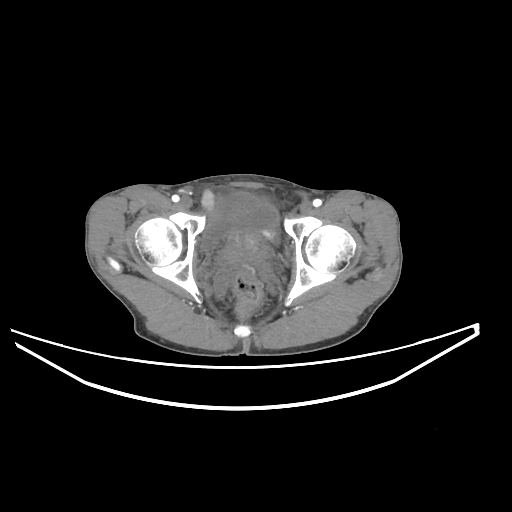
Computed tomography, abdomen · axial view · W/L 400/40 HU · 512x512 px · 60-year-old male patient
{"organs":{"bladder":[202,192,278,249],"prostate/uterus":[225,233,258,261]}}